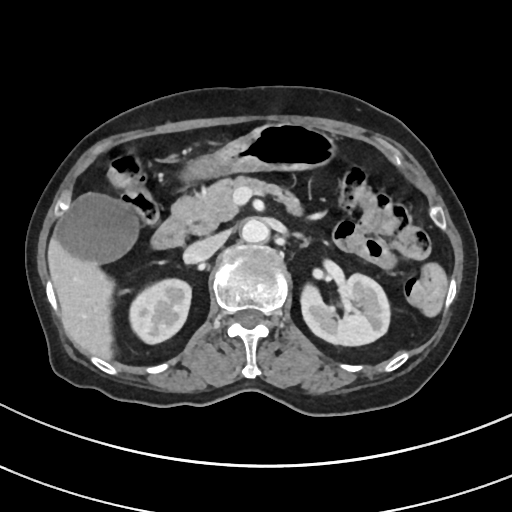
CT, abdomen/pelvis. Axial slice 142/284. acquired on SOMATOM Force
<organs><organ name="right kidney" x1="129" y1="279" x2="192" y2="344"/><organ name="left kidney" x1="300" y1="273" x2="390" y2="345"/><organ name="gall bladder" x1="55" y1="194" x2="136" y2="263"/><organ name="liver" x1="48" y1="233" x2="113" y2="361"/><organ name="stomach" x1="188" y1="123" x2="336" y2="178"/><organ name="aorta" x1="240" y1="218" x2="268" y2="242"/><organ name="inferior vena cava" x1="184" y1="232" x2="227" y2="263"/><organ name="pancreas" x1="171" y1="177" x2="300" y2="232"/><organ name="duodenum" x1="148" y1="216" x2="187" y2="250"/></organs>